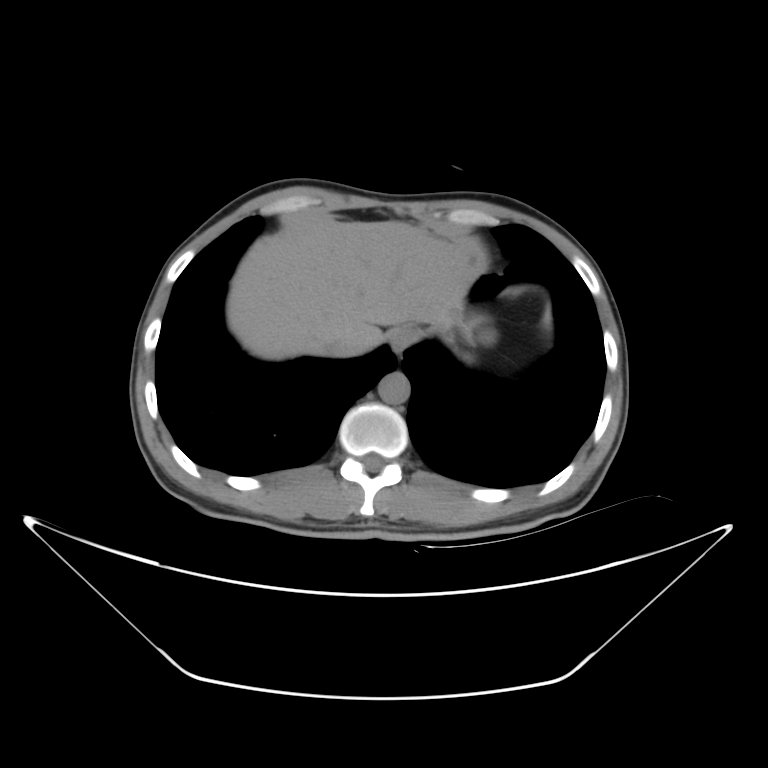
Abdominal CT · axial plane, index 79 · 31-year-old male patient
Boxes: x1:y1:x2:y2 in pixels.
Organ bounding boxes:
- esophagus: 389:325:421:355
- liver: 226:220:484:360
- inferior vena cava: 321:336:352:354
- aorta: 376:371:409:403